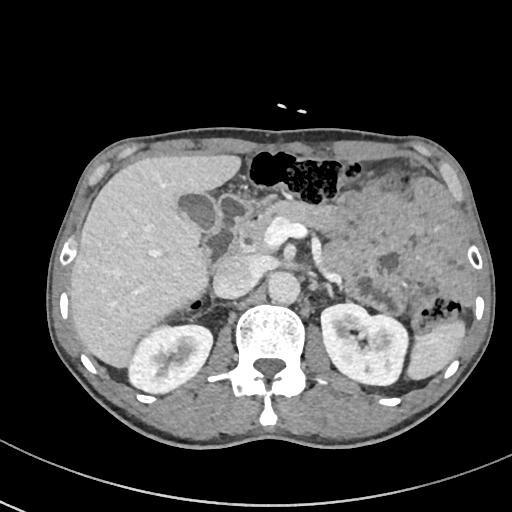
CT, abdomen/pelvis · axial plane, index 153 · W/L 400/40 HU · 15 organs annotated in this scan (counted over the whole 3D scan, not this slice; an organ is boxed only where this slice passes through it)
Boxes: x1:y1:x2:y2 in pixels. The annotated organs in this slice are: spleen at 408:320:466:379, right kidney at 126:325:211:394, left kidney at 320:304:407:386, gall bladder at 179:193:220:234, liver at 69:153:242:368, aorta at 268:272:300:305, inferior vena cava at 214:254:260:297, pancreas at 240:201:340:245, left adrenal gland at 325:283:337:299, duodenum at 203:195:258:274.